CT of the abdomen reaching into the lower chest, slice just above the liver and spleen · axial view
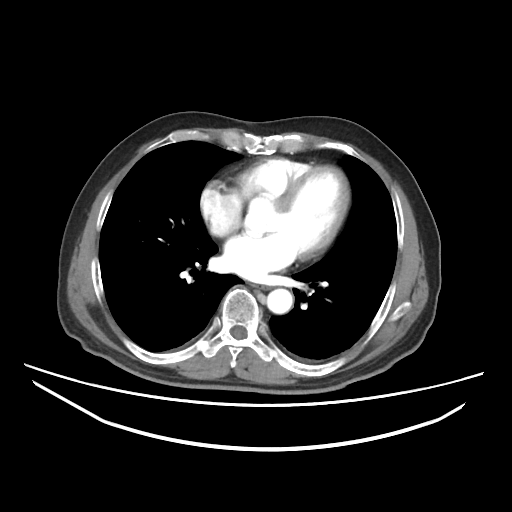
Of the structures in the chest, this dataset labels only the esophagus, the aorta and the inferior vena cava; the heart and lungs have no label.
Box edges are left/top/right/bottom in pixels.
Organ bounding boxes:
- esophagus: left=252, top=283, right=266, bottom=289
- aorta: left=267, top=288, right=292, bottom=313